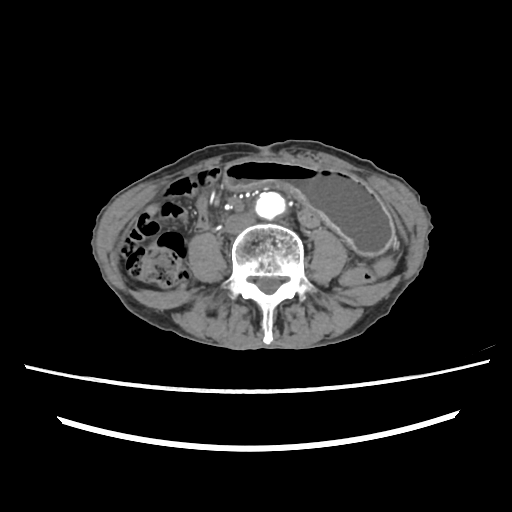 Computed tomography, abdomen; axial plane, index 42; 512x512 px
Boxes: x1:y1:x2:y2 in pixels.
Organ bounding boxes:
- stomach: 221:160:393:255
- inferior vena cava: 225:213:254:233
- aorta: 253:192:285:219